Magnetic resonance imaging, abdomen · coronal plane, index 47 · acquired on Prisma · 13 organs annotated in this scan (a whole-scan count: organs this slice does not pass through have no box)
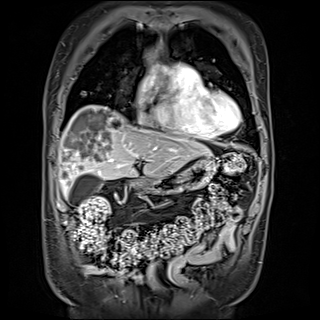

Each box given as x1,y1,x2,y2.
aorta: x1=148, y1=53, x2=157, y2=53
gall bladder: x1=68, y1=173, x2=101, y2=205
stomach: x1=131, y1=157, x2=216, y2=194
liver: x1=59, y1=106, x2=211, y2=197